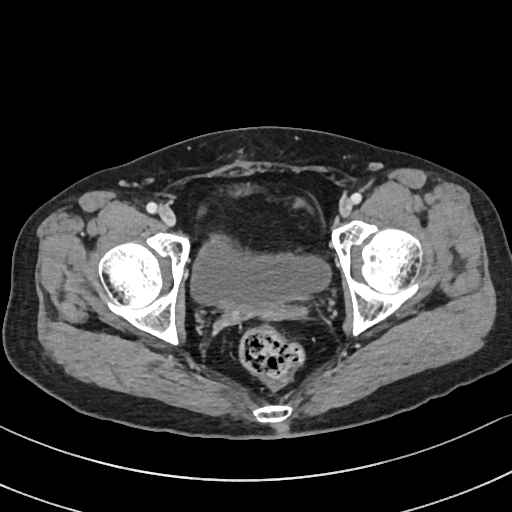

CT, abdomen/pelvis · axial plane, index 35 · W/L 400/40 HU · 512x512 px · acquired on SOMATOM Force
Coordinates as <box>x1,y1,x2,y2</box> in pixels.
bladder: <box>191,237,329,312</box>